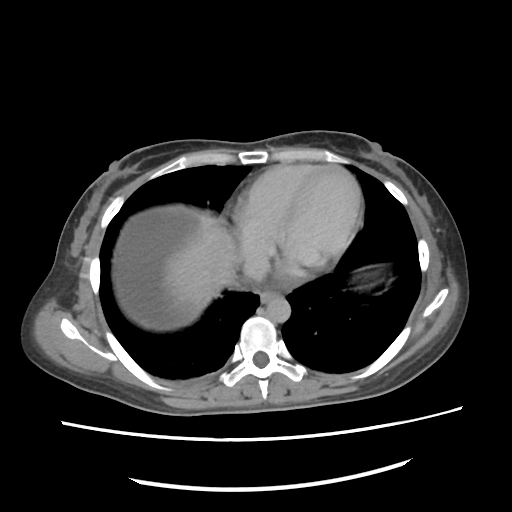
CT, abdomen/pelvis · axial view · 512x512 px · 39-year-old female patient
{"organs":{"esophagus":[260,292,283,302],"liver":[128,227,238,318],"aorta":[266,296,290,322],"inferior vena cava":[242,254,268,280]}}